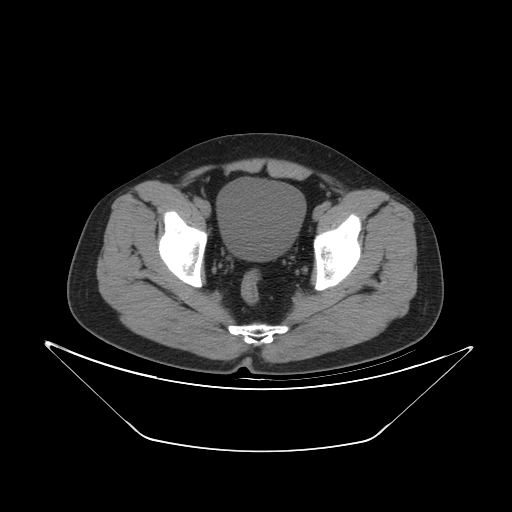

Computed tomography, abdomen; Axial slice 19/83; soft-tissue window; 512x512 px; Brilliance16 scanner
Coordinates as <box>x1,y1,x2,y2</box> in pixels.
bladder: <box>216,177,305,260</box>